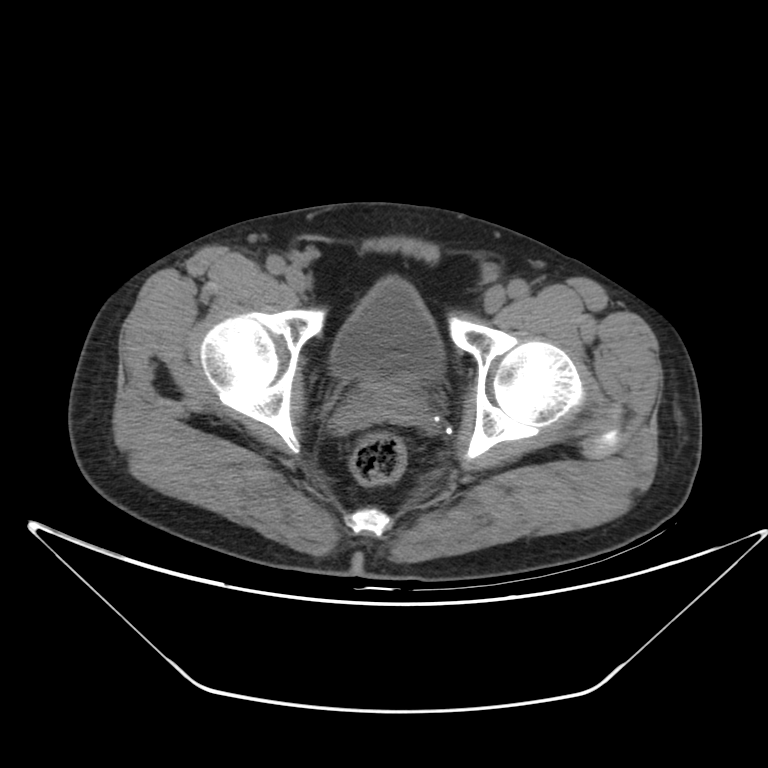 Abdominal CT — axial view — 768x768 px — 45-year-old male patient — 15 organs annotated in this scan (counted over the whole 3D scan, not this slice; an organ is boxed only where this slice passes through it)
<organs><organ name="prostate/uterus" x1="355" y1="377" x2="418" y2="411"/><organ name="bladder" x1="331" y1="278" x2="444" y2="380"/></organs>